Abdominal CT; this slice is in the lower chest, just above the liver. axial view. 512x512 px
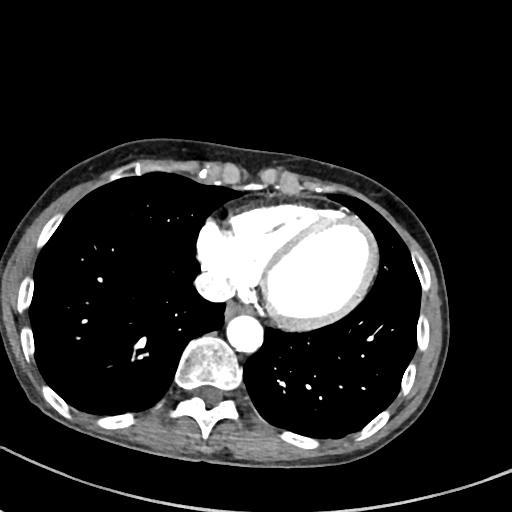
The heart and lungs are never labeled in this dataset, so they have no box on this slice.
Bounding boxes in pixels, one row per box: x1, y1 is the top-left corner and x2, y2 the bottom-right.
| organ | x1 | y1 | x2 | y2 |
|---|---|---|---|---|
| esophagus | 225 | 302 | 252 | 317 |
| aorta | 226 | 313 | 263 | 351 |
| inferior vena cava | 194 | 271 | 233 | 302 |